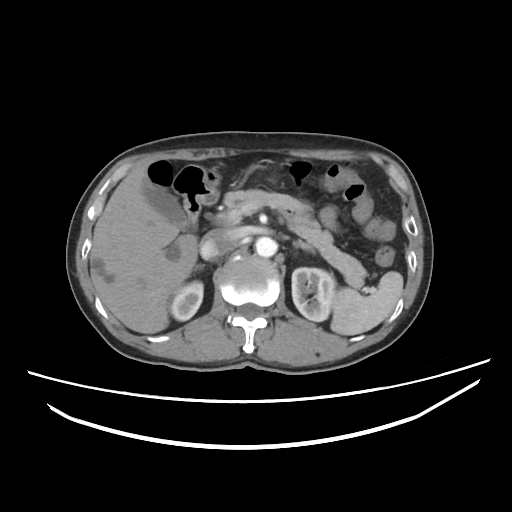

CT, abdomen/pelvis; Axial slice 39/109; 13 organs annotated in this scan (a whole-scan count: organs this slice does not pass through have no box)
<organs><organ name="spleen" x1="330" y1="271" x2="403" y2="335"/><organ name="right kidney" x1="169" y1="280" x2="203" y2="321"/><organ name="left kidney" x1="291" y1="267" x2="335" y2="321"/><organ name="gall bladder" x1="143" y1="180" x2="188" y2="230"/><organ name="liver" x1="89" y1="167" x2="198" y2="333"/><organ name="stomach" x1="202" y1="164" x2="274" y2="186"/><organ name="aorta" x1="255" y1="237" x2="276" y2="257"/><organ name="inferior vena cava" x1="200" y1="228" x2="236" y2="259"/><organ name="pancreas" x1="223" y1="189" x2="367" y2="289"/><organ name="right adrenal gland" x1="194" y1="264" x2="204" y2="270"/><organ name="left adrenal gland" x1="292" y1="240" x2="315" y2="252"/><organ name="duodenum" x1="176" y1="166" x2="217" y2="226"/></organs>